CT, abdomen/pelvis. axial view. soft-tissue window
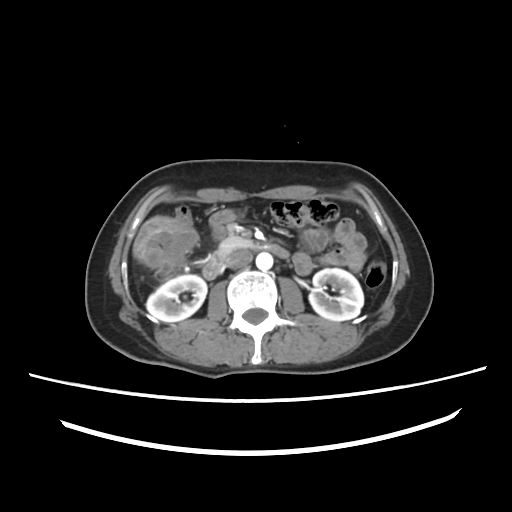 {"organs":{"aorta":[256,252,273,270],"inferior vena cava":[225,250,252,268],"left kidney":[309,268,363,320],"pancreas":[218,236,253,254],"right kidney":[146,274,206,322],"duodenum":[202,244,289,279]}}